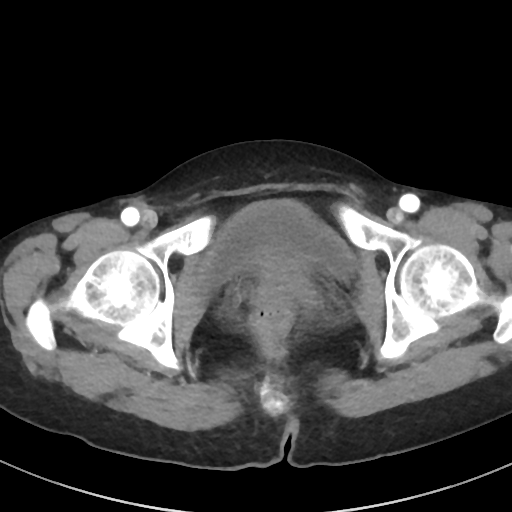
Abdominal CT — axial plane, index 4
Coordinates as <box>x1,y1,x2,y2</box> in pixels.
bladder: <box>197,201,353,288</box>
prostate/uterus: <box>257,263,313,308</box>